CT abdomen — axial view — abdomen soft-tissue window — 52-year-old male patient — acquired on Aquilion ONE
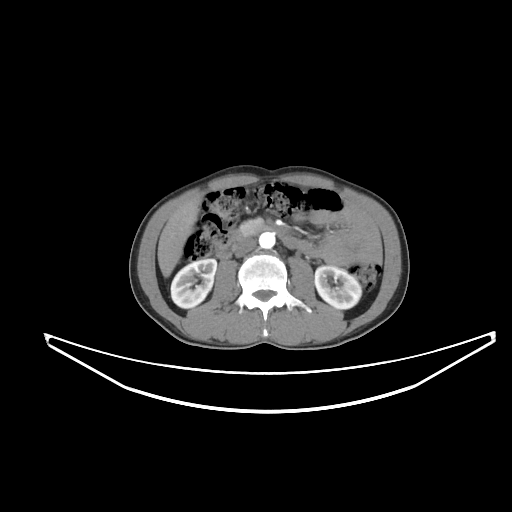 Box edges are left/top/right/bottom in pixels.
Organ bounding boxes:
- inferior vena cava: left=235, top=238, right=256, bottom=257
- right kidney: left=171, top=259, right=216, bottom=308
- duodenum: left=216, top=226, right=298, bottom=258
- pancreas: left=240, top=218, right=263, bottom=234
- liver: left=157, top=199, right=201, bottom=277
- aorta: left=259, top=232, right=275, bottom=248
- left kidney: left=314, top=266, right=361, bottom=309